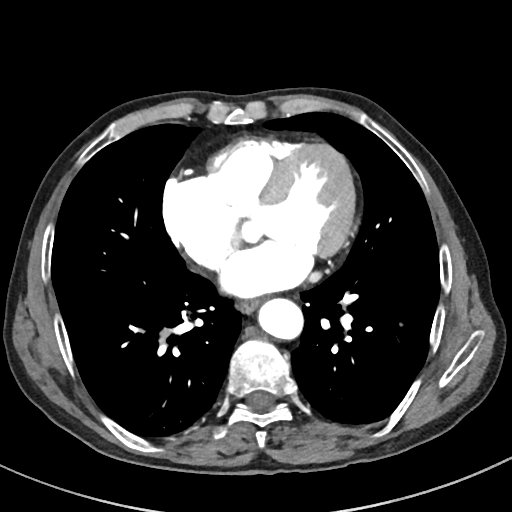

CT of the abdomen reaching into the lower chest, slice just above the liver and spleen · Axial slice 223/303 · acquired on SOMATOM Force
Of the structures in the chest, this dataset labels only the esophagus, the aorta and the inferior vena cava; the heart and lungs have no label.
Boxes are (x1, y1, x2, y2) in pixels.
esophagus: (240, 299, 258, 312)
aorta: (257, 297, 302, 338)